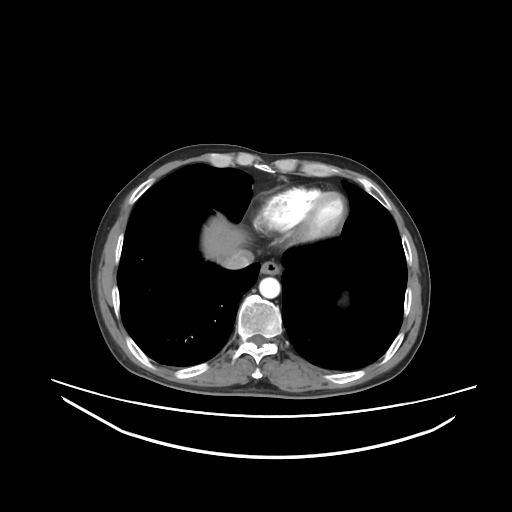
CT abdomen; Axial slice 89/134; abdomen soft-tissue window; 15 organs annotated in this scan (that count is for the whole scan; organs this slice misses have no box)
Boxes: x1 y1 x2 y2 (pixel coords, space-separated).
esophagus: 260 262 279 274
liver: 202 215 246 262
aorta: 259 277 280 298
inferior vena cava: 221 249 253 269